Abdominal CT — axial plane, index 53 — 512x512 px — SOMATOM Force scanner
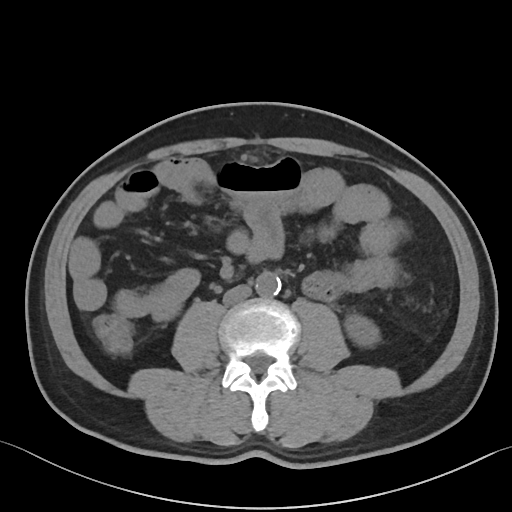
Coordinates as <box>x1,y1,x2,y2</box> in pixels.
Organ bounding boxes:
- left kidney: <box>344,314,380,346</box>
- aorta: <box>255,272,280,297</box>
- inferior vena cava: <box>223,285,251,305</box>